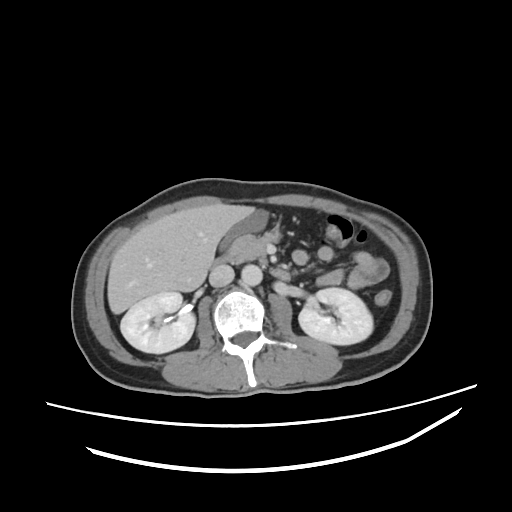
Abdominal CT — Axial slice 62/131 — W/L 400/40 HU — 512x512 px — 49-year-old male patient — Aquilion ONE scanner — scan has 15 labeled organs (a whole-scan count: organs this slice does not pass through have no box)
{"organs":{"right kidney":[120,291,195,353],"left kidney":[298,288,373,344],"gall bladder":[220,211,266,249],"liver":[107,203,255,313],"aorta":[241,265,262,286],"inferior vena cava":[209,264,234,287],"pancreas":[228,230,280,262],"duodenum":[214,253,291,281]}}